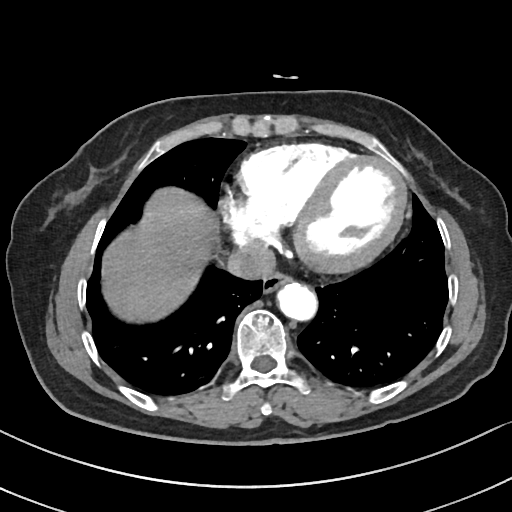 Abdominal CT · axial view · soft-tissue window (W 400 / L 40) · 512x512 px · 15 organs annotated in this scan (a whole-scan count: organs this slice does not pass through have no box)
Boxes: x1 y1 x2 y2 (pixel coords, space-separated).
Organ bounding boxes:
- esophagus: 262 274 291 294
- liver: 101 185 214 321
- aorta: 279 283 317 321
- inferior vena cava: 229 242 275 279